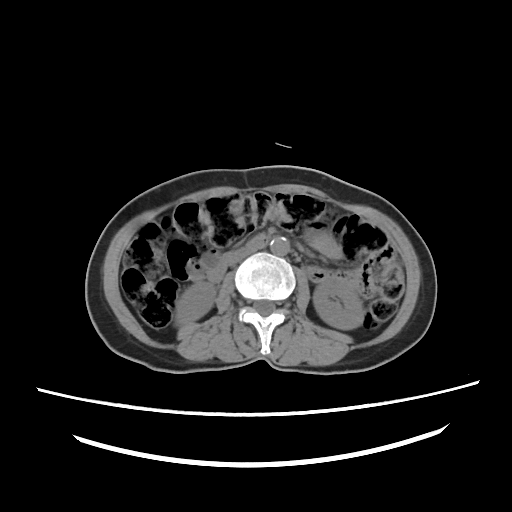 Computed tomography, abdomen; axial view; W/L 400/40 HU; 512x512 px
Bounding boxes as [x1, y1, x2, y2] in pixel coordinates.
right kidney: [174, 282, 216, 325]
left kidney: [313, 279, 363, 329]
aorta: [270, 237, 289, 255]
inferior vena cava: [223, 245, 257, 265]
duodenum: [249, 236, 268, 247]